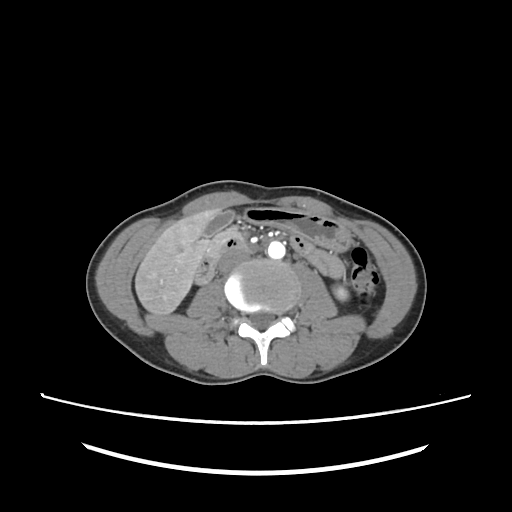
CT, abdomen/pelvis · axial view · abdomen soft-tissue window
Boxes: x1:y1:x2:y2 in pixels.
Organ bounding boxes:
- left kidney: 334:286:348:300
- gall bladder: 203:210:235:236
- liver: 135:209:220:314
- stomach: 244:208:351:251
- aorta: 267:241:285:259
- inferior vena cava: 218:251:248:272
- pancreas: 206:230:237:256
- duodenum: 195:235:249:286